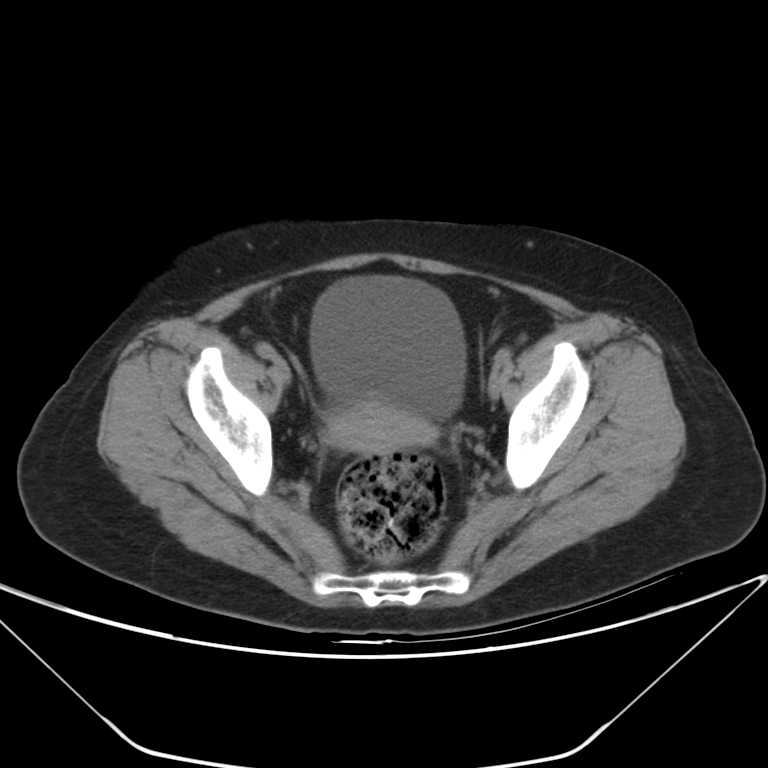 CT abdomen; axial view; abdomen soft-tissue window
Box edges are left/top/right/bottom in pixels.
prostate/uterus: left=327, top=403, right=431, bottom=453
bladder: left=310, top=276, right=466, bottom=417